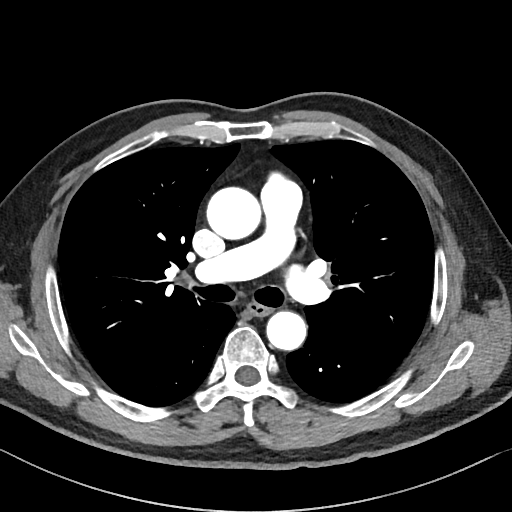

Chest-level slice from an abdominal CT that extends up into the chest — axial view — soft-tissue window (W 400 / L 40)
At this level of the chest this dataset labels only the esophagus and the aorta, and each is boxed only where it is labeled; the heart and lungs are never labeled.
Organ boxes in pixel coordinates; each row gives the top-left (x1, y1) and bottom-right (x2, y2) corners.
| organ | x1 | y1 | x2 | y2 |
|---|---|---|---|---|
| esophagus | 250 | 303 | 271 | 316 |
| aorta | 207 | 187 | 262 | 240 |
| aorta | 266 | 311 | 306 | 350 |